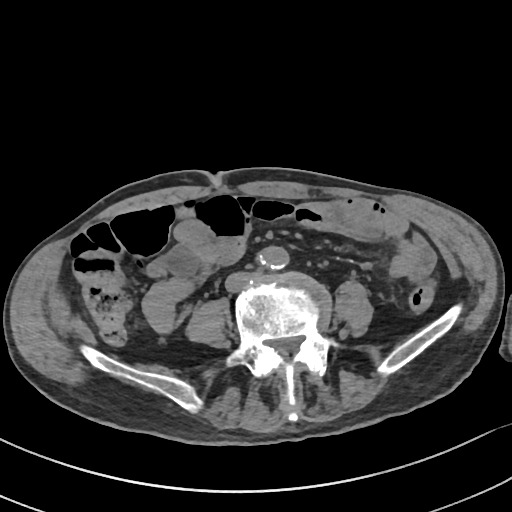
CT, abdomen/pelvis · axial view · 512x512 px · acquired on SOMATOM Force · 15 organs annotated in this scan (a whole-scan count: organs this slice does not pass through have no box)
Boxes: x1 y1 x2 y2 (pixel coords, space-separated).
Organ bounding boxes:
- aorta: 258 246 289 269
- inferior vena cava: 225 273 249 291